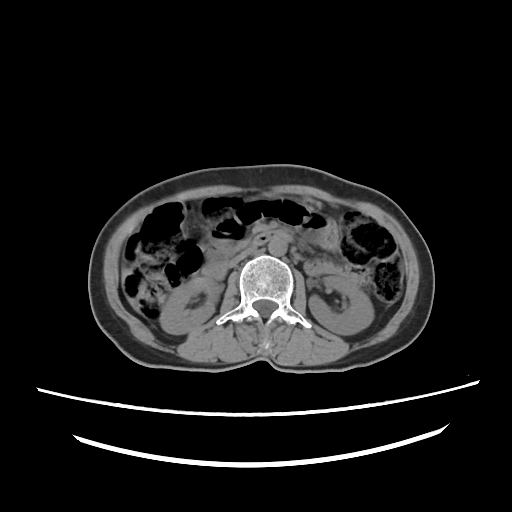 Abdominal CT · axial plane, index 50 · 512x512 px · 58-year-old female patient · Aquilion ONE scanner
Bounding boxes as [x1, y1, x2, y2] in pixel coordinates.
aorta: [268, 238, 286, 255]
left kidney: [309, 276, 373, 334]
inferior vena cava: [227, 245, 256, 267]
liver: [129, 299, 137, 308]
right kidney: [160, 277, 221, 334]
duodenum: [252, 228, 293, 244]